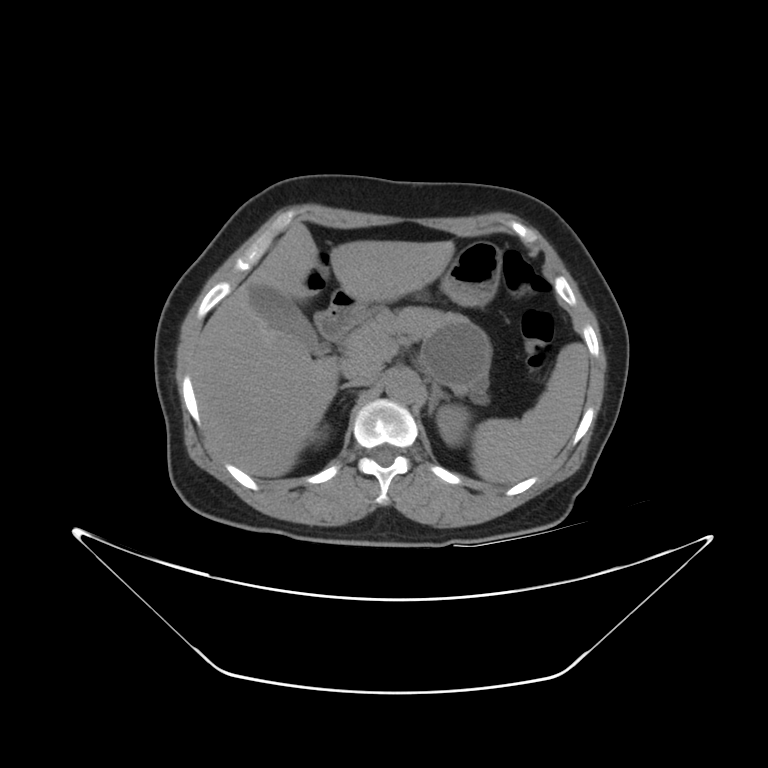
Abdominal CT — axial view — soft-tissue window (W 400 / L 40) — 768x768 px
<organs><organ name="spleen" x1="469" y1="342" x2="588" y2="484"/><organ name="left kidney" x1="437" y1="405" x2="467" y2="445"/><organ name="gall bladder" x1="250" y1="289" x2="330" y2="355"/><organ name="liver" x1="193" y1="220" x2="455" y2="475"/><organ name="stomach" x1="336" y1="241" x2="500" y2="305"/><organ name="aorta" x1="382" y1="370" x2="424" y2="405"/><organ name="inferior vena cava" x1="350" y1="371" x2="377" y2="388"/><organ name="pancreas" x1="344" y1="306" x2="489" y2="404"/><organ name="left adrenal gland" x1="428" y1="381" x2="452" y2="415"/><organ name="duodenum" x1="314" y1="291" x2="368" y2="338"/></organs>